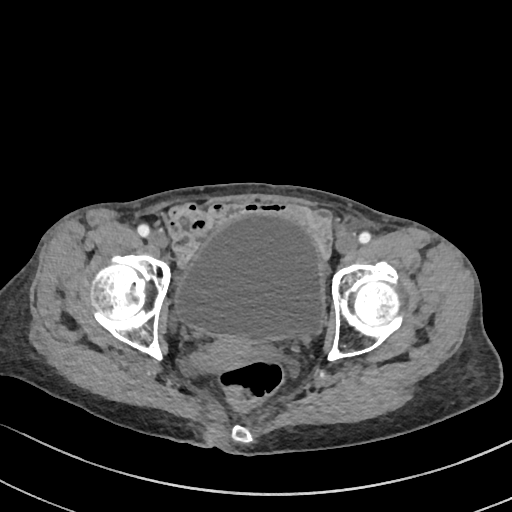 CT, abdomen/pelvis · axial view · soft-tissue window (W 400 / L 40) · 15 organs annotated in this scan (that count is for the whole scan; organs this slice misses have no box)
Boxes are (x1, y1, x2, y2) in pixels.
Organ bounding boxes:
- bladder: (175, 211, 324, 340)
- prostate/uterus: (197, 335, 258, 371)